Computed tomography, abdomen · axial plane, index 83
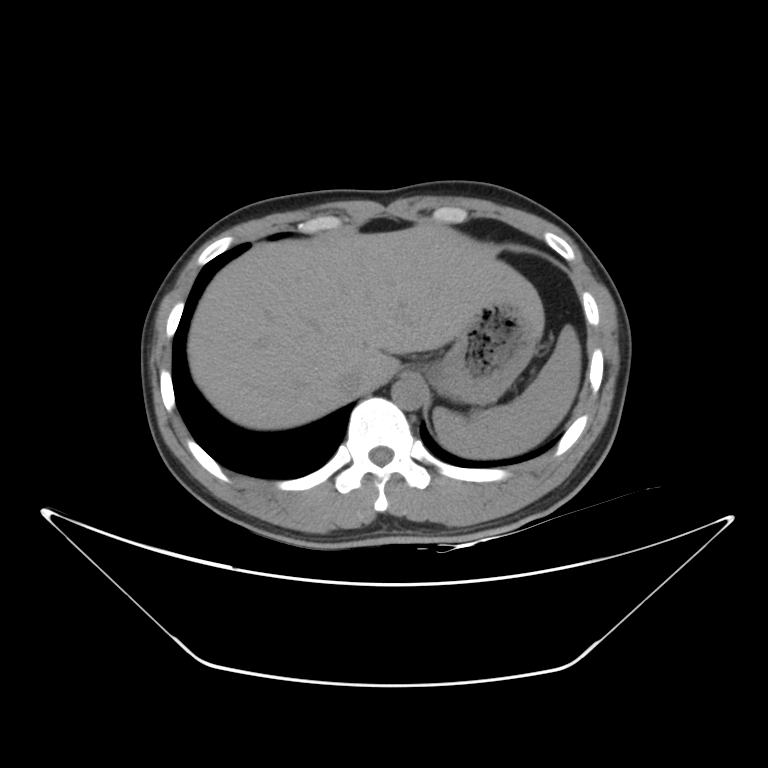

Each box given as x1,y1,x2,y2.
spleen: x1=433, y1=325, x2=581, y2=458
liver: x1=187, y1=224, x2=543, y2=429
stomach: x1=425, y1=303, x2=538, y2=404
aorta: x1=391, y1=377, x2=425, y2=410
inferior vena cava: x1=337, y1=369, x2=364, y2=395